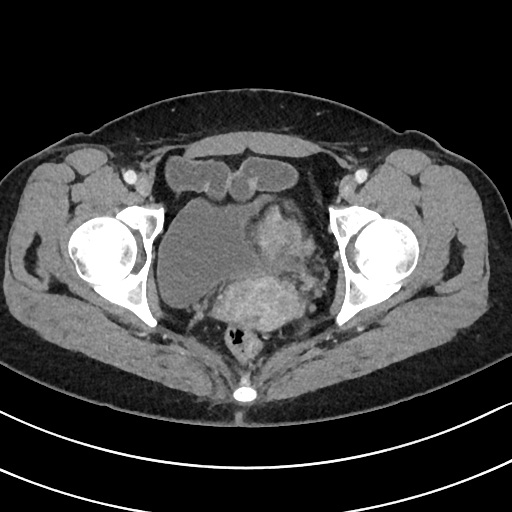

CT abdomen · Axial slice 26/206
Boxes: x1 y1 x2 y2 (pixel coords, space-separated).
Organ bounding boxes:
- bladder: 156 193 295 307
- prostate/uterus: 215 207 315 333